CT abdomen · Axial slice 67/101 · 71-year-old male patient · Brilliance16 scanner · scan has 15 labeled organs (counted over the whole 3D scan, not this slice; an organ is boxed only where this slice passes through it)
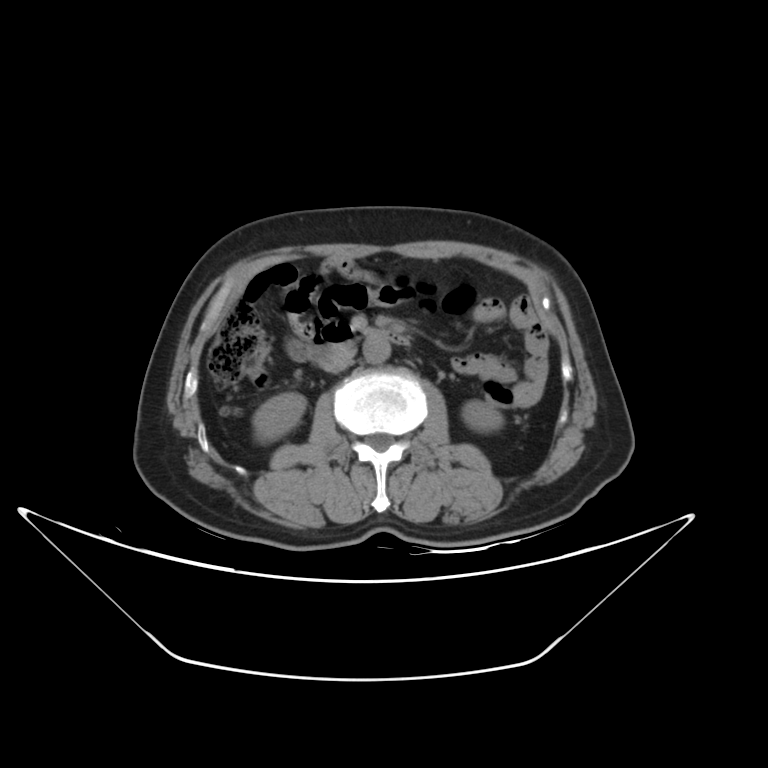 Each box given as x1,y1,x2,y2.
right kidney: x1=254, y1=391, x2=304, y2=441
left kidney: x1=461, y1=401, x2=504, y2=432
aorta: x1=364, y1=338, x2=390, y2=363
inferior vena cava: x1=323, y1=350, x2=357, y2=372
duodenum: x1=308, y1=327, x2=413, y2=365